Computed tomography, abdomen; axial plane, index 16
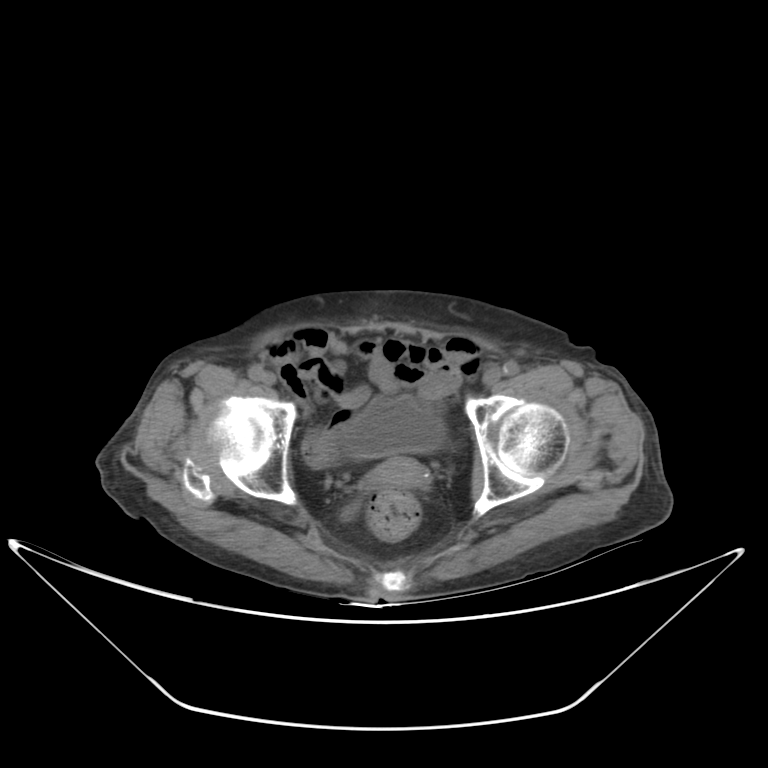 Boxes: x1:y1:x2:y2 in pixels.
bladder: 344:396:445:458
prostate/uterus: 374:457:426:487